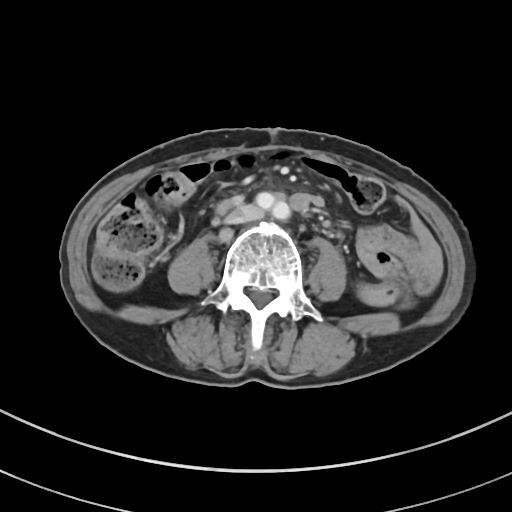 Computed tomography, abdomen. axial view. abdomen soft-tissue window
Box edges are left/top/right/bottom in pixels.
inferior vena cava: left=228, top=205, right=261, bottom=222